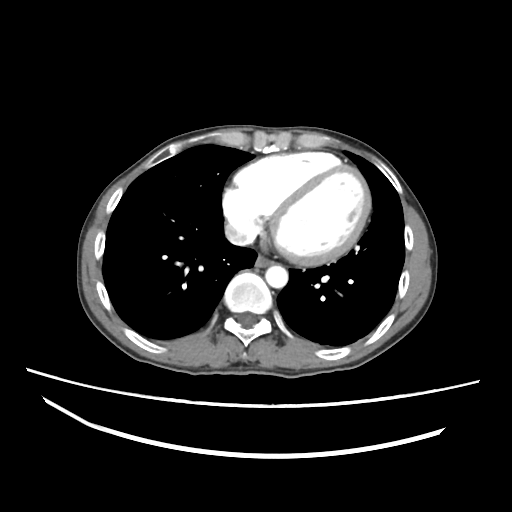

CT of the abdomen reaching into the lower chest, slice just above the liver and spleen · axial plane, index 98 · 512x512 px · 40-year-old male patient
The heart and lungs are never labeled in this dataset, so they have no box on this slice. Box edges are left/top/right/bottom in pixels. 3 labeled organs on this slice — esophagus at left=255, top=254, right=274, bottom=266; aorta at left=265, top=265, right=288, bottom=288; inferior vena cava at left=224, top=219, right=256, bottom=246.